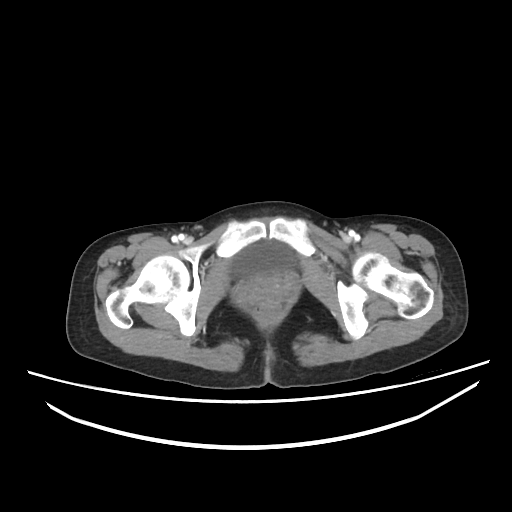 CT abdomen — axial view — soft-tissue window — 43-year-old female patient — 15 organs annotated in this scan (that count is for the whole scan; organs this slice misses have no box)
{"organs":{"bladder":[230,241,293,277]}}